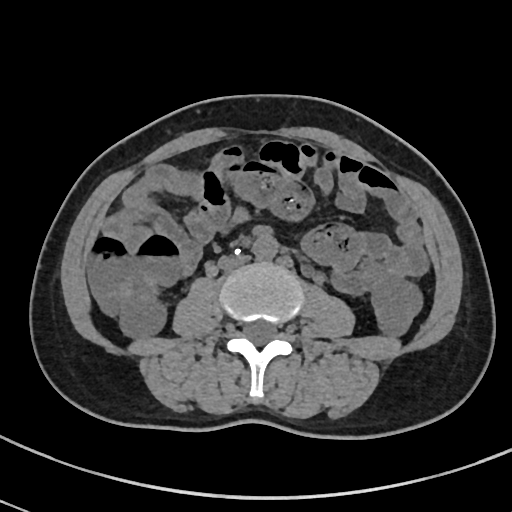
Abdominal CT — axial plane, index 114 — abdomen soft-tissue window — 512x512 px
Coordinates as <box>x1,y1,x2,y2</box> in pixels.
Organ bounding boxes:
- aorta: <box>252,232,278,259</box>
- inferior vena cava: <box>217,255,249,269</box>